CT abdomen — axial view — W/L 400/40 HU — 47-year-old male patient — scan has 15 labeled organs (a whole-scan count: organs this slice does not pass through have no box)
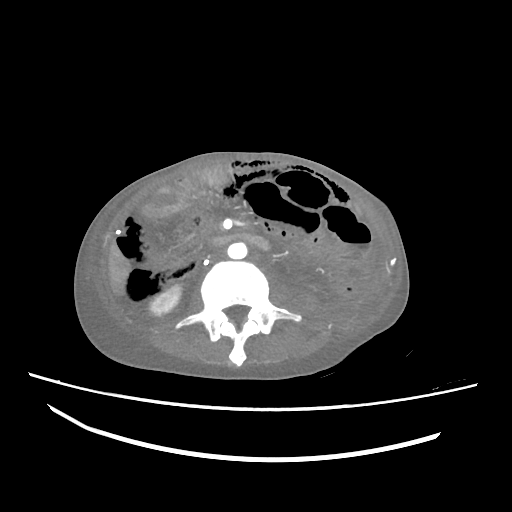
Boxes: x1 y1 x2 y2 (pixel coords, space-separated).
Organ bounding boxes:
- right kidney: 149 285 181 316
- liver: 108 241 131 295
- aorta: 227 242 247 259
- inferior vena cava: 208 248 224 261
- duodenum: 213 233 269 249